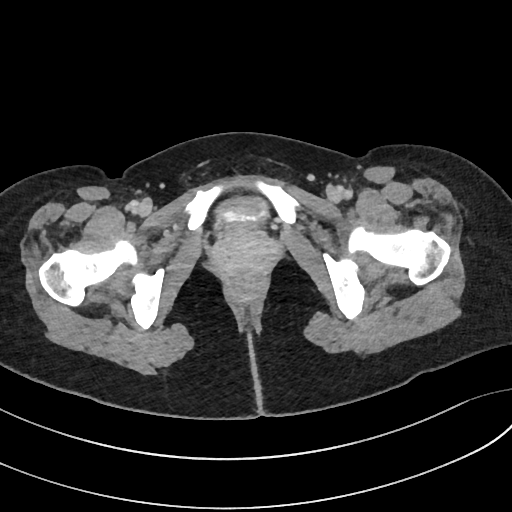

CT, abdomen/pelvis · axial view
One row per box, in pixels: columns x1 and y1 give the top-left corner, x2 and y2 the bottom-right.
| organ | x1 | y1 | x2 | y2 |
|---|---|---|---|---|
| bladder | 217 | 194 | 268 | 224 |